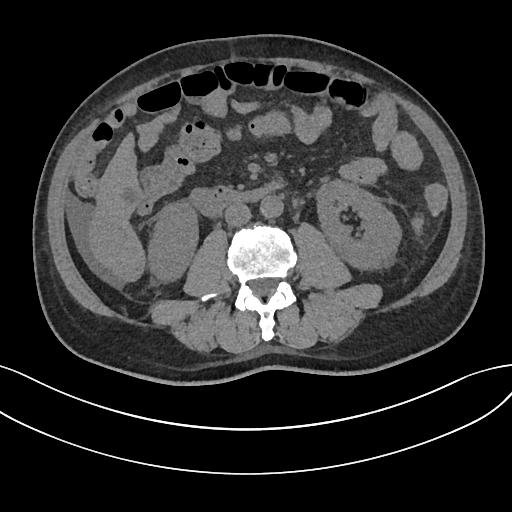

CT abdomen; axial view; soft-tissue window (W 400 / L 40); SOMATOM Force scanner; scan has 15 labeled organs (a whole-scan count: organs this slice does not pass through have no box)
{"organs":{"spleen":[412,217,423,232],"right kidney":[148,201,198,282],"left kidney":[317,180,401,269],"liver":[88,133,145,281],"aorta":[260,196,283,218],"inferior vena cava":[224,203,251,226],"duodenum":[189,182,279,216]}}